Computed tomography, abdomen. axial view. 512x512 px
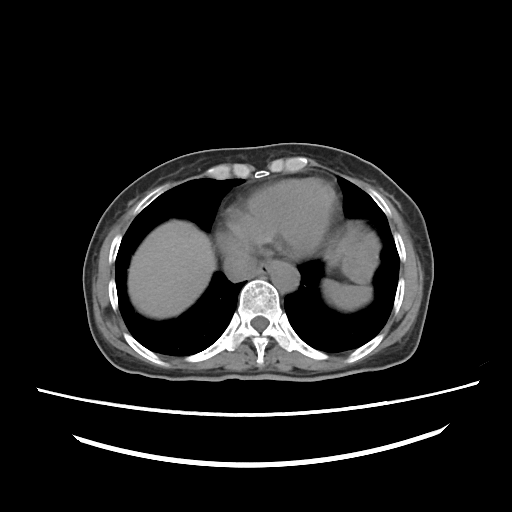

<organs><organ name="liver" x1="128" y1="220" x2="215" y2="318"/><organ name="inferior vena cava" x1="223" y1="251" x2="257" y2="281"/><organ name="spleen" x1="323" y1="280" x2="371" y2="310"/><organ name="stomach" x1="325" y1="224" x2="378" y2="283"/><organ name="esophagus" x1="257" y1="261" x2="270" y2="275"/><organ name="aorta" x1="269" y1="261" x2="298" y2="292"/></organs>